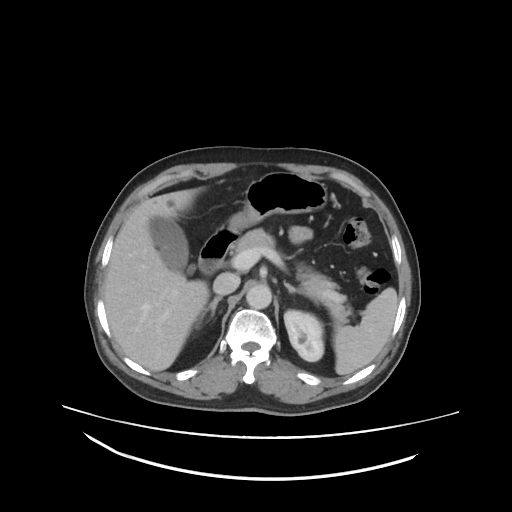
CT, abdomen/pelvis — axial view — soft-tissue window — 512x512 px — 66-year-old male patient
Each box given as x1,y1,x2,y2. The annotated organs in this slice are: spleen at x1=333, y1=287, x2=398, y2=375, left kidney at x1=284, y1=309, x2=324, y2=361, gall bladder at x1=150, y1=217, x2=194, y2=277, liver at x1=104, y1=189, x2=208, y2=372, stomach at x1=231, y1=171, x2=327, y2=228, aorta at x1=245, y1=284, x2=271, y2=308, inferior vena cava at x1=214, y1=273, x2=240, y2=294, pancreas at x1=234, y1=229, x2=352, y2=326, right adrenal gland at x1=196, y1=295, x2=222, y2=328, left adrenal gland at x1=284, y1=282, x2=320, y2=305, duodenum at x1=197, y1=226, x2=241, y2=272.